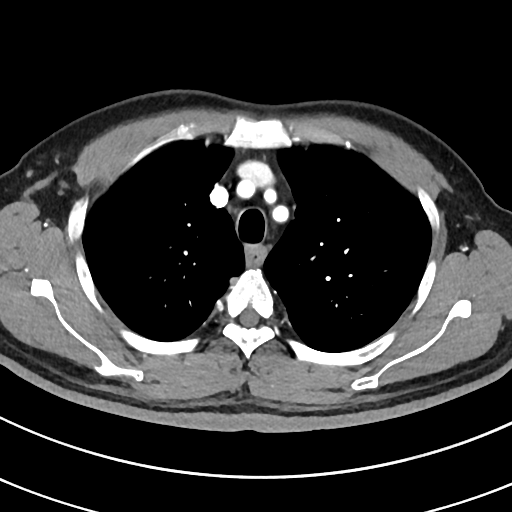 Abdominal CT reaching into the chest; this slice is in the chest · Axial slice 268/302 · W/L 400/40 HU · 512x512 px · SOMATOM Force scanner · scan has 15 labeled organs (counted over the whole 3D scan, not this slice; an organ is boxed only where this slice passes through it)
On a slice this high in the chest, this dataset labels only the esophagus and the aorta, and each is boxed only where it is labeled; the heart, lungs and other chest structures are not labeled.
{"organs":{"esophagus":[247,246,265,262]}}